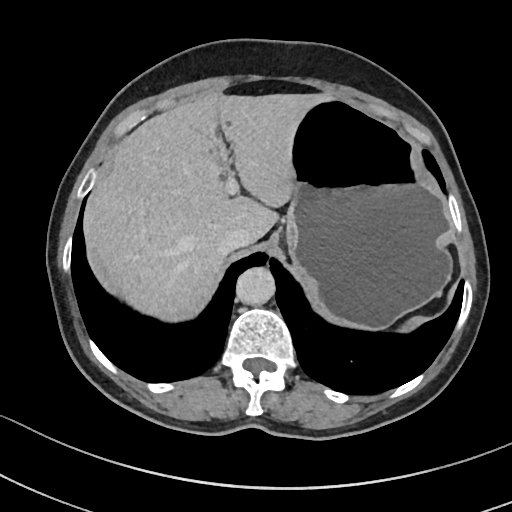 Abdominal CT · axial view · 512x512 px · scan has 15 labeled organs (that count is for the whole scan; organs this slice misses have no box)
<organs><organ name="liver" x1="83" y1="93" x2="325" y2="321"/><organ name="stomach" x1="286" y1="97" x2="451" y2="328"/><organ name="aorta" x1="236" y1="265" x2="276" y2="304"/><organ name="inferior vena cava" x1="218" y1="229" x2="253" y2="255"/></organs>